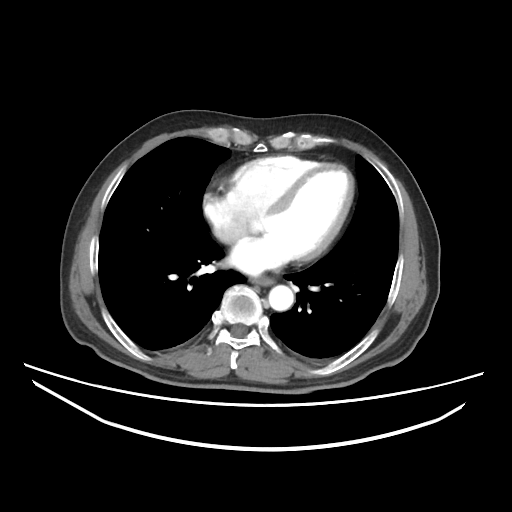 Abdominal CT; this slice is in the lower chest, just above the liver. axial view. 512x512 px. scan has 15 labeled organs (counted over the whole 3D scan, not this slice; an organ is boxed only where this slice passes through it)
The heart and lungs are never labeled in this dataset, so they have no box on this slice.
<organs><organ name="aorta" x1="268" y1="285" x2="293" y2="310"/><organ name="esophagus" x1="253" y1="277" x2="270" y2="285"/></organs>